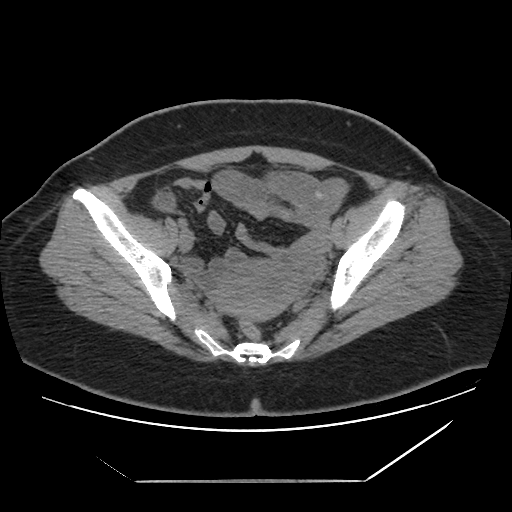
CT, abdomen/pelvis · Axial slice 73/345 · W/L 400/40 HU
{"organs":{"prostate/uterus":[214,262,299,320]}}